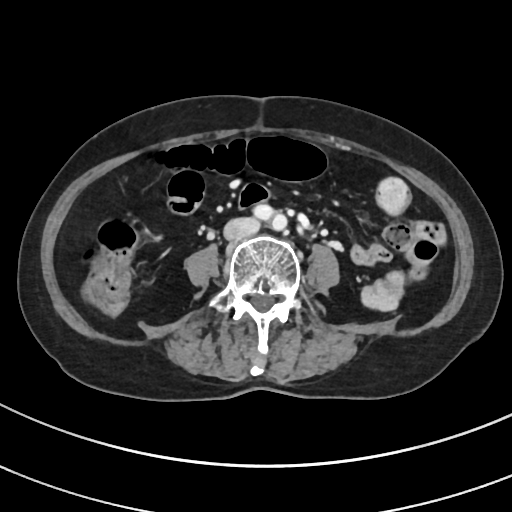 CT abdomen. Axial slice 97/284. SOMATOM Force scanner
<organs><organ name="inferior vena cava" x1="224" y1="218" x2="259" y2="239"/></organs>